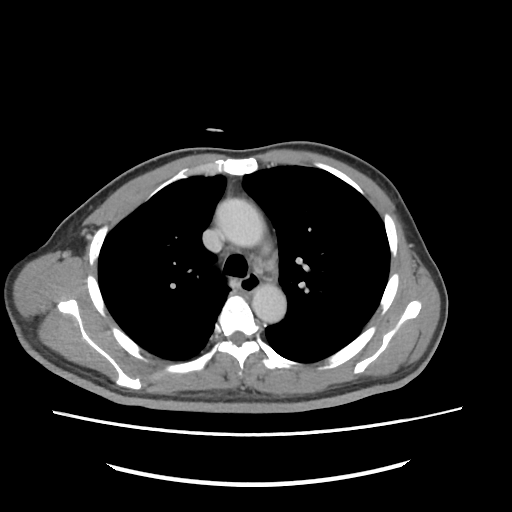
Chest-level slice from an abdominal CT that extends up into the chest · Axial slice 108/123 · W/L 400/40 HU · acquired on Aquilion ONE
At this level of the chest no structure but the esophagus and the aorta has a label in this dataset, and those two are boxed only where they are labeled.
<organs><organ name="esophagus" x1="239" y1="273" x2="260" y2="291"/><organ name="aorta" x1="215" y1="198" x2="264" y2="246"/><organ name="aorta" x1="252" y1="283" x2="286" y2="322"/></organs>